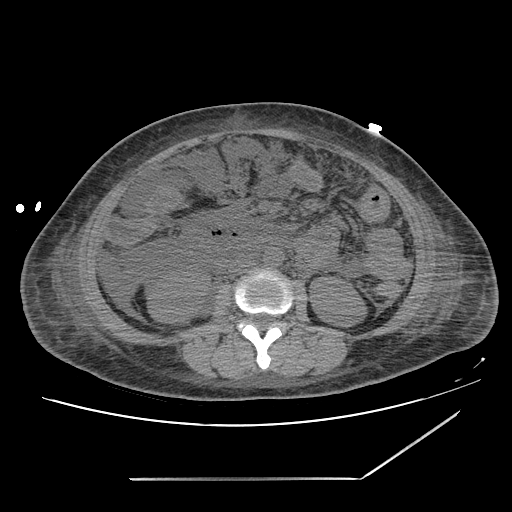

CT abdomen; axial view; W/L 400/40 HU; 512x512 px; acquired on SOMATOM Force; 15 organs annotated in this scan (counted over the whole 3D scan, not this slice; an organ is boxed only where this slice passes through it)
Organ boxes in pixel coordinates; each row gives the top-left (x1, y1) and bottom-right (x2, y2) corners.
| organ | x1 | y1 | x2 | y2 |
|---|---|---|---|---|
| right kidney | 144 | 269 | 210 | 325 |
| left kidney | 308 | 276 | 368 | 328 |
| aorta | 263 | 249 | 283 | 267 |
| inferior vena cava | 228 | 256 | 254 | 274 |